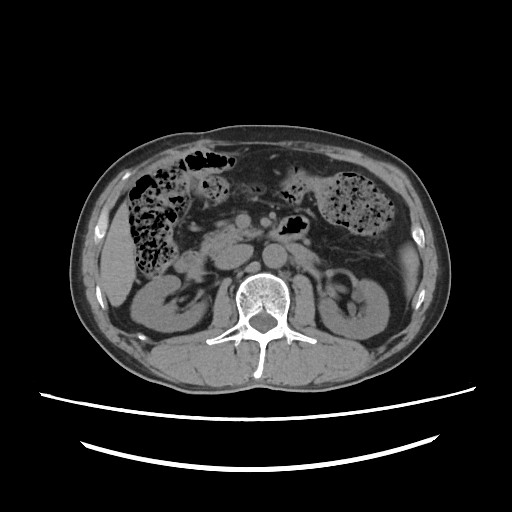

CT abdomen. axial view. abdomen soft-tissue window. acquired on Aquilion ONE. 15 organs annotated in this scan (counted over the whole 3D scan, not this slice; an organ is boxed only where this slice passes through it)
{"organs":{"liver":[99,204,135,306],"duodenum":[174,216,307,272],"right kidney":[130,275,204,330],"aorta":[262,244,286,266],"pancreas":[199,223,259,254],"left kidney":[319,278,388,338],"spleen":[403,246,419,297],"inferior vena cava":[214,244,252,268]}}